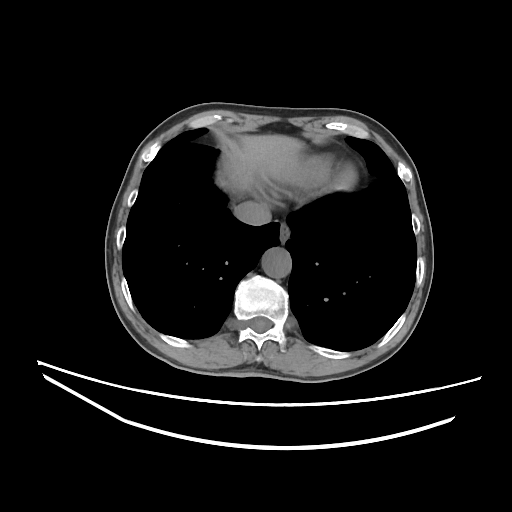
Computed tomography, abdomen; axial view; 68-year-old male patient
Bounding boxes as [x1, y1, x2, y2] in pixel coordinates.
esophagus: [279, 224, 289, 241]
liver: [231, 134, 303, 181]
aorta: [262, 247, 291, 277]
inferior vena cava: [234, 201, 271, 225]